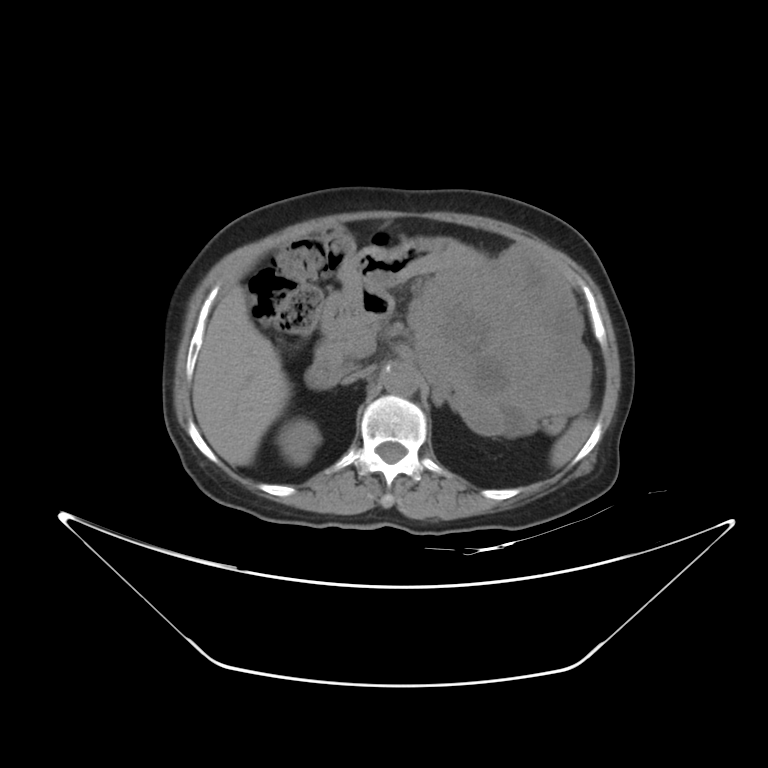
Abdominal CT · axial view · 66-year-old female patient
Boxes: x1 y1 x2 y2 (pixel coords, space-separated).
aorta: 381 362 418 396
inferior vena cava: 343 367 372 384
spleen: 551 418 591 467
liver: 193 287 290 465
right kidney: 282 423 320 465
left adrenal gland: 433 391 446 405
pancreas: 330 324 564 432
duodenum: 305 339 342 389
stomach: 321 239 592 433